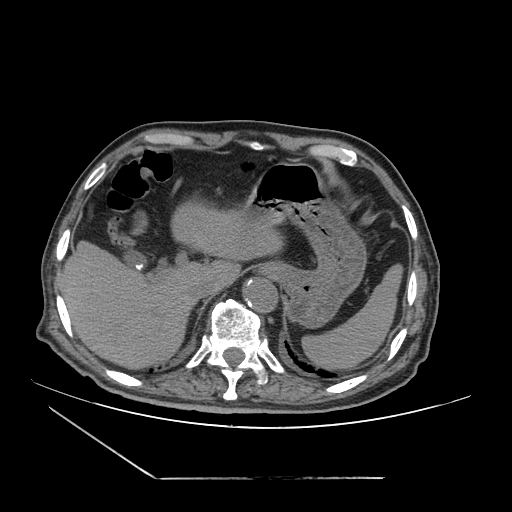 CT, abdomen/pelvis; axial view; abdomen soft-tissue window
Coordinates as <box>x1,y1,x2,y2</box> in pixels.
aorta: <box>244,279,278,314</box>
esophagus: <box>258,262,285,278</box>
spleen: <box>302,266,401,368</box>
inferior vena cava: <box>188,280,217,298</box>
stomach: <box>240,163,366,329</box>
gall bladder: <box>123,250,145,266</box>
liver: <box>62,203,283,368</box>